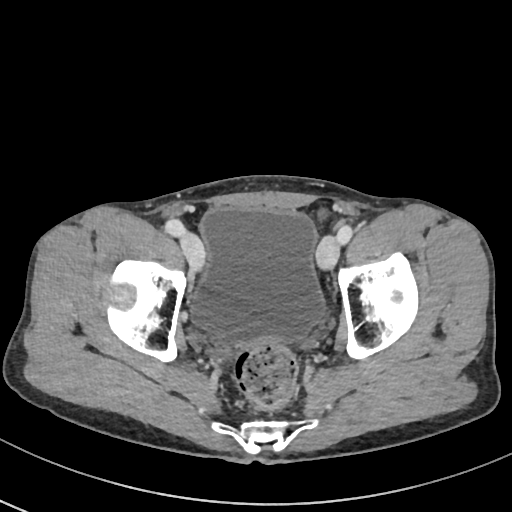

Computed tomography, abdomen; axial view
{"organs":{"bladder":[190,207,325,343]}}